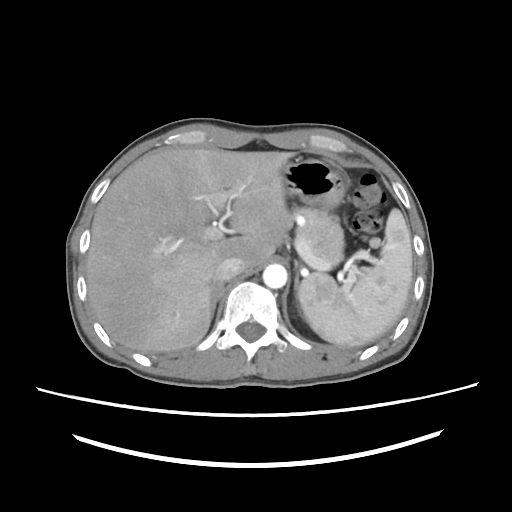

Abdominal CT · axial plane, index 37 · abdomen soft-tissue window · 512x512 px · 51-year-old male patient · acquired on Aquilion ONE · 13 organs annotated in this scan (counted over the whole 3D scan, not this slice; an organ is boxed only where this slice passes through it)
<organs><organ name="aorta" x1="262" y1="263" x2="286" y2="287"/><organ name="stomach" x1="280" y1="156" x2="347" y2="225"/><organ name="liver" x1="86" y1="149" x2="295" y2="352"/><organ name="right adrenal gland" x1="209" y1="279" x2="224" y2="316"/><organ name="pancreas" x1="291" y1="206" x2="343" y2="264"/><organ name="inferior vena cava" x1="218" y1="255" x2="244" y2="281"/><organ name="left adrenal gland" x1="292" y1="272" x2="298" y2="306"/><organ name="spleen" x1="299" y1="207" x2="413" y2="346"/></organs>